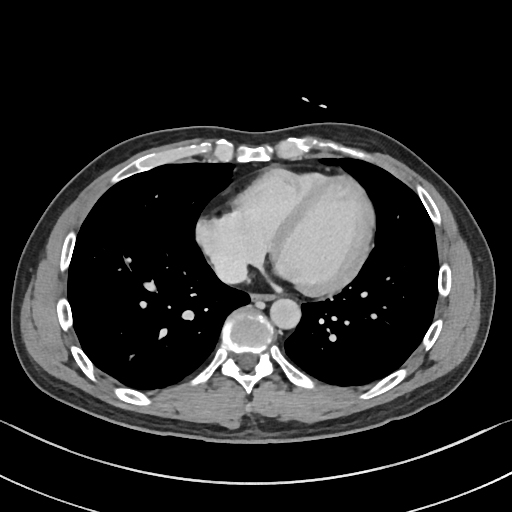
Abdominal CT; this slice is in the lower chest, just above the liver — Axial slice 197/291 — W/L 400/40 HU — 512x512 px — acquired on SOMATOM Force
The heart and lungs are never labeled in this dataset, so they have no box on this slice.
Organ boxes in pixel coordinates; each row gives the top-left (x1, y1) and bottom-right (x2, y2) corners.
| organ | x1 | y1 | x2 | y2 |
|---|---|---|---|---|
| esophagus | 251 | 294 | 275 | 300 |
| aorta | 270 | 298 | 300 | 329 |
| inferior vena cava | 213 | 254 | 247 | 283 |